Computed tomography, abdomen; Axial slice 154/228; soft-tissue window; 512x512 px; 15 organs annotated in this scan (a whole-scan count: organs this slice does not pass through have no box)
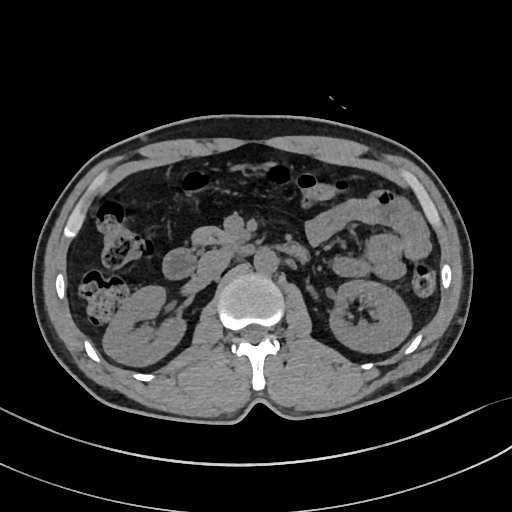
Boxes: x1:y1:x2:y2 in pixels. 6 labeled organs on this slice — right kidney at 103:286:186:366; left kidney at 329:279:413:353; aorta at 253:249:278:273; inferior vena cava at 196:249:230:280; pancreas at 190:226:236:245; duodenum at 163:239:307:279.